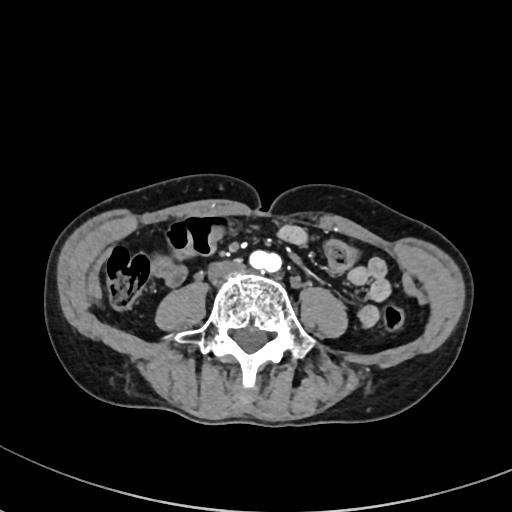 CT, abdomen/pelvis; axial view; abdomen soft-tissue window; 512x512 px; 15 organs annotated in this scan (a whole-scan count: organs this slice does not pass through have no box)
Boxes: x1 y1 x2 y2 (pixel coords, space-separated).
Organ bounding boxes:
- inferior vena cava: 208 260 244 280